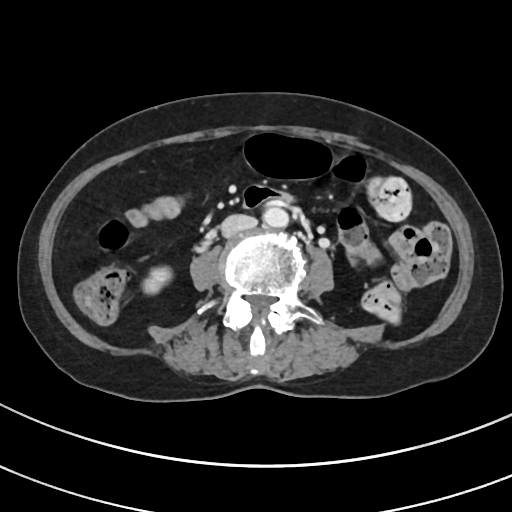

CT, abdomen/pelvis; axial view; W/L 400/40 HU; SOMATOM Force scanner; scan has 15 labeled organs (a whole-scan count: organs this slice does not pass through have no box)
Box edges are left/top/right/bottom in pixels.
right kidney: left=144, top=267, right=170, bottom=294
aorta: left=262, top=206, right=288, bottom=228
inferior vena cava: left=221, top=215, right=257, bottom=237